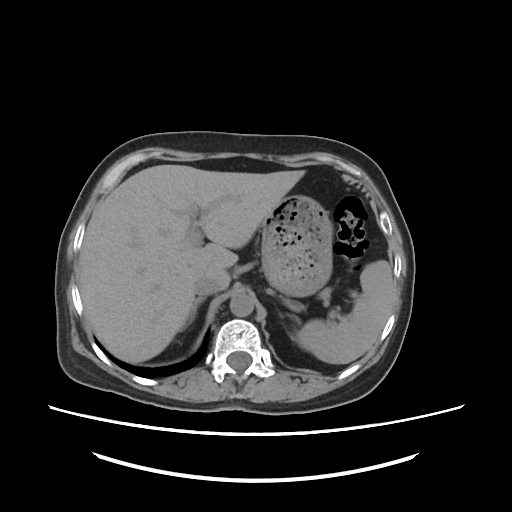
CT abdomen; axial plane, index 72; W/L 400/40 HU; scan has 15 labeled organs (that count is for the whole scan; organs this slice misses have no box)
{"organs":{"right adrenal gland":[186,294,207,326],"spleen":[299,260,394,364],"liver":[80,165,305,362],"stomach":[261,196,331,296],"inferior vena cava":[194,279,225,294],"left adrenal gland":[281,315,282,317],"aorta":[229,292,257,316]}}